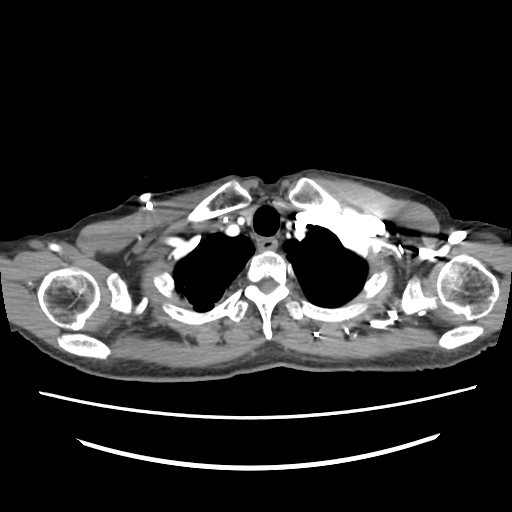 CT of the abdomen extending into the chest, slice through the chest — Axial slice 128/134 — soft-tissue window, W/L 400/40 — 65-year-old male patient — 15 organs annotated in this scan (a whole-scan count: organs this slice does not pass through have no box)
At this level of the chest this dataset labels only the esophagus and the aorta, and each is boxed only where it is labeled; the heart and lungs are never labeled.
<organs><organ name="esophagus" x1="258" y1="237" x2="276" y2="251"/></organs>